CT abdomen. Axial slice 52/90. W/L 400/40 HU. 512x512 px. 54-year-old male patient
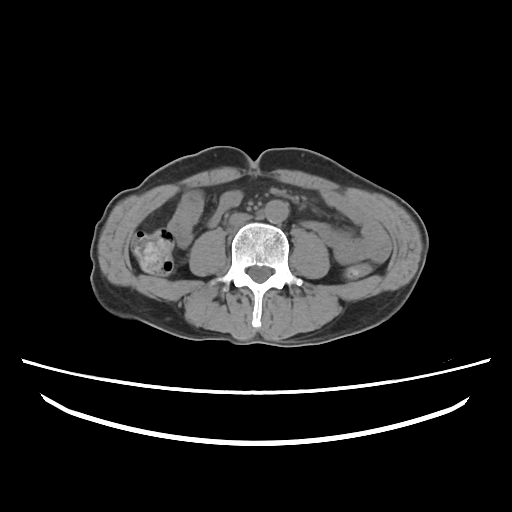
Boxes are (x1, y1, x2, y2) in pixels. 2 labeled organs on this slice — aorta at (265, 200, 287, 223); inferior vena cava at (228, 212, 252, 223).